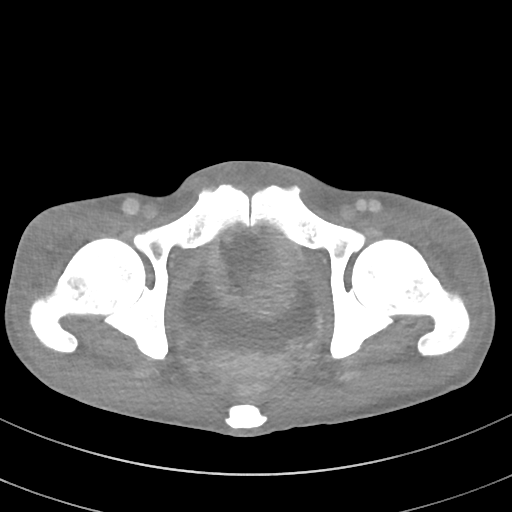

CT abdomen — axial plane, index 12 — soft-tissue window (W 400 / L 40) — 15 organs annotated in this scan (counted over the whole 3D scan, not this slice; an organ is boxed only where this slice passes through it)
{"organs":{"bladder":[181,263,317,348]}}